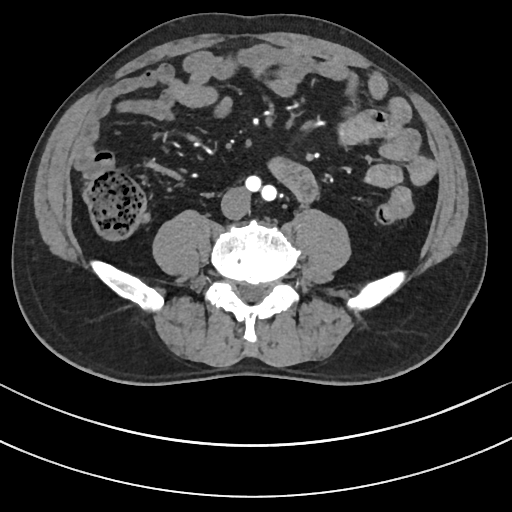

Computed tomography, abdomen. axial view. soft-tissue window (W 400 / L 40). scan has 15 labeled organs (counted over the whole 3D scan, not this slice; an organ is boxed only where this slice passes through it)
Coordinates as <box>x1,y1,x2,y2</box> in pixels.
Organ bounding boxes:
- inferior vena cava: <box>221,187,250,219</box>